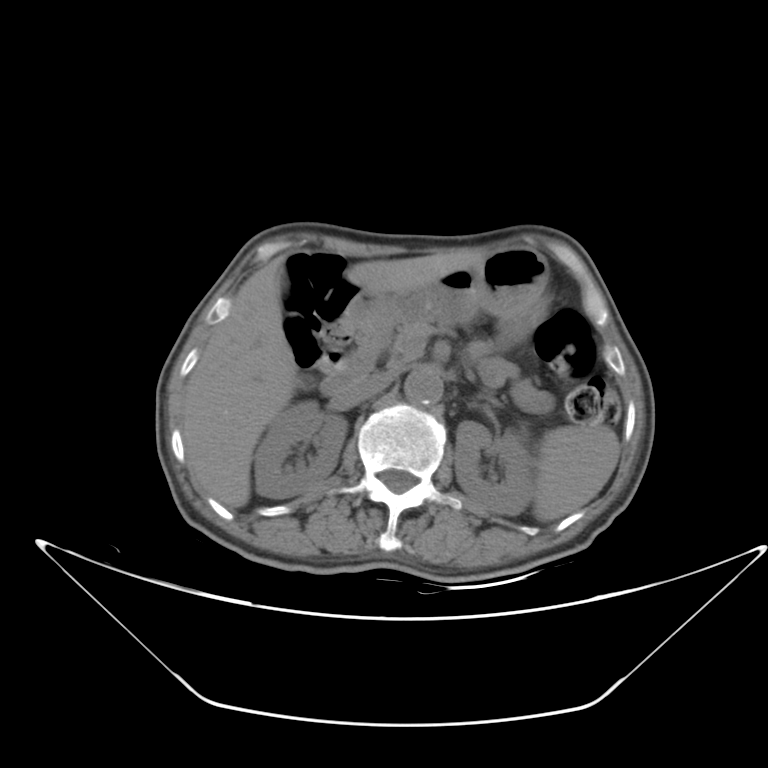

Abdominal CT · Axial slice 67/90 · 768x768 px · Brilliance16 scanner · 15 organs annotated in this scan (that count is for the whole scan; organs this slice misses have no box)
{"organs":{"pancreas":[388,324,432,364],"left kidney":[453,419,532,513],"stomach":[348,245,549,343],"spleen":[533,427,619,521],"duodenum":[321,316,385,396],"liver":[181,251,487,507],"right kidney":[253,401,347,497],"inferior vena cava":[330,368,398,412],"aorta":[403,367,443,408]}}